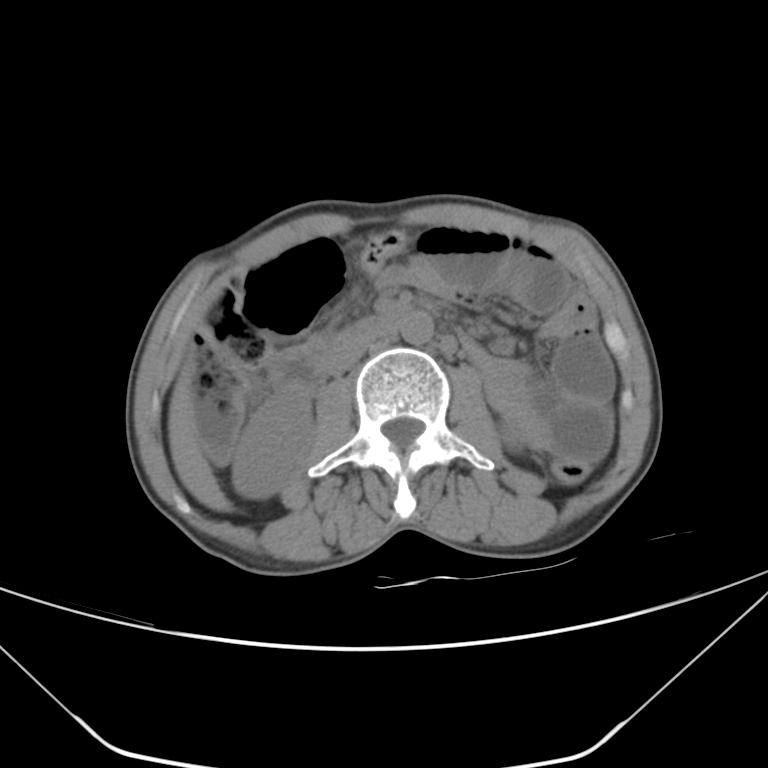

CT, abdomen/pelvis; axial view; 768x768 px; Brilliance16 scanner; scan has 15 labeled organs (a whole-scan count: organs this slice does not pass through have no box)
Boxes: x1:y1:x2:y2 in pixels.
Organ bounding boxes:
- right kidney: 231:391:313:499
- left kidney: 503:424:524:448
- liver: 168:369:230:510
- aorta: 399:310:433:344
- inferior vena cava: 329:332:391:375
- duodenum: 270:307:405:393